Lower-chest slice from an abdominal CT, just above the liver and spleen · Axial slice 71/116 · soft-tissue window, W/L 400/40 · SOMATOM Force scanner · scan has 15 labeled organs (that count is for the whole scan; organs this slice misses have no box)
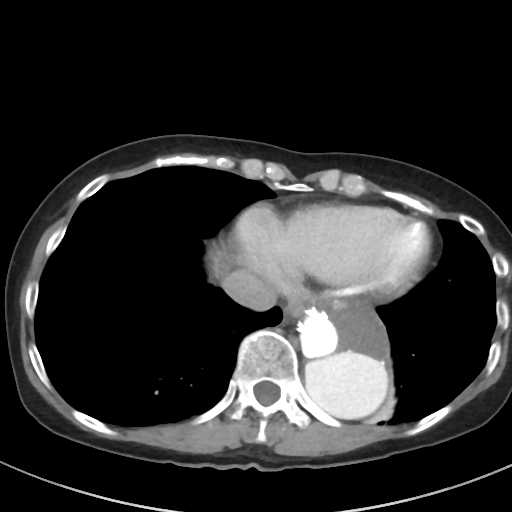 No part of the heart or lungs is labeled in this dataset, so neither has a box here.
<organs><organ name="inferior vena cava" x1="221" y1="269" x2="276" y2="311"/><organ name="esophagus" x1="284" y1="304" x2="304" y2="320"/><organ name="aorta" x1="299" y1="300" x2="389" y2="418"/></organs>